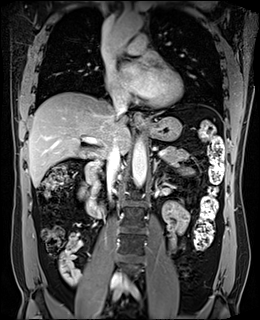

Magnetic resonance imaging, abdomen · coronal acquisition · 260x320 px
One row per box, in pixels: columns x1 and y1 give the top-left corner, x2 and y2 the bottom-right.
| organ | x1 | y1 | x2 | y2 |
|---|---|---|---|---|
| left adrenal gland | 153 | 159 | 167 | 178 |
| aorta | 108 | 13 | 143 | 61 |
| aorta | 132 | 138 | 146 | 187 |
| duodenum | 85 | 160 | 104 | 218 |
| right kidney | 80 | 185 | 86 | 196 |
| pancreas | 162 | 146 | 191 | 162 |
| stomach | 140 | 116 | 181 | 141 |
| liver | 28 | 92 | 160 | 187 |
| inferior vena cava | 107 | 138 | 121 | 187 |
| inferior vena cava | 113 | 96 | 127 | 119 |
| esophagus | 134 | 112 | 145 | 125 |